CT, abdomen/pelvis; axial view; 47-year-old female patient; acquired on Aquilion ONE
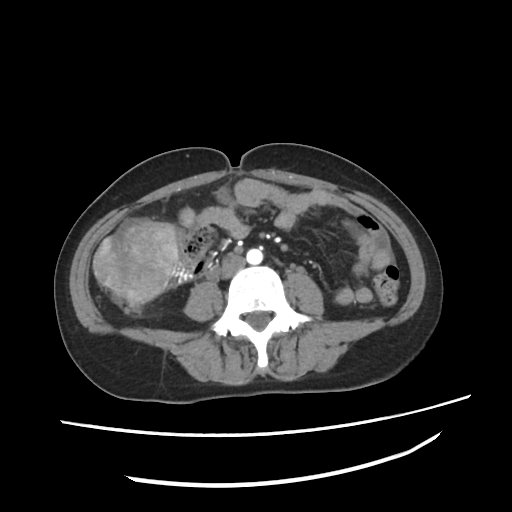

<organs><organ name="inferior vena cava" x1="221" y1="255" x2="244" y2="278"/><organ name="aorta" x1="245" y1="247" x2="264" y2="264"/></organs>